CT abdomen; axial view; abdomen soft-tissue window; scan has 15 labeled organs (that count is for the whole scan; organs this slice misses have no box)
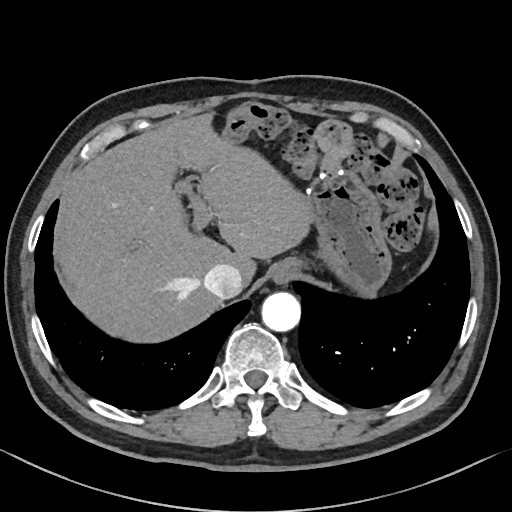
Each box given as x1,y1,x2,y2. Labeled organs on this slice: esophagus at x1=268, y1=259, x2=296, y2=284, liver at x1=56, y1=112, x2=311, y2=342, stomach at x1=307, y1=169, x2=390, y2=293, aorta at x1=261, y1=292, x2=301, y2=332, inferior vena cava at x1=202, y1=263, x2=242, y2=297.